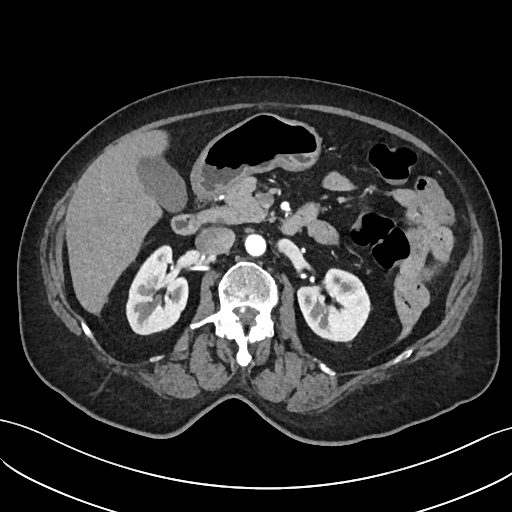

Computed tomography, abdomen. axial view. soft-tissue window
<organs><organ name="spleen" x1="399" y1="326" x2="411" y2="340"/><organ name="right kidney" x1="125" y1="244" x2="187" y2="334"/><organ name="left kidney" x1="296" y1="267" x2="370" y2="340"/><organ name="gall bladder" x1="137" y1="154" x2="185" y2="210"/><organ name="liver" x1="64" y1="131" x2="166" y2="312"/><organ name="stomach" x1="191" y1="112" x2="319" y2="198"/><organ name="aorta" x1="244" y1="233" x2="264" y2="255"/><organ name="inferior vena cava" x1="195" y1="227" x2="234" y2="255"/><organ name="pancreas" x1="197" y1="178" x2="267" y2="223"/><organ name="duodenum" x1="171" y1="209" x2="311" y2="234"/></organs>